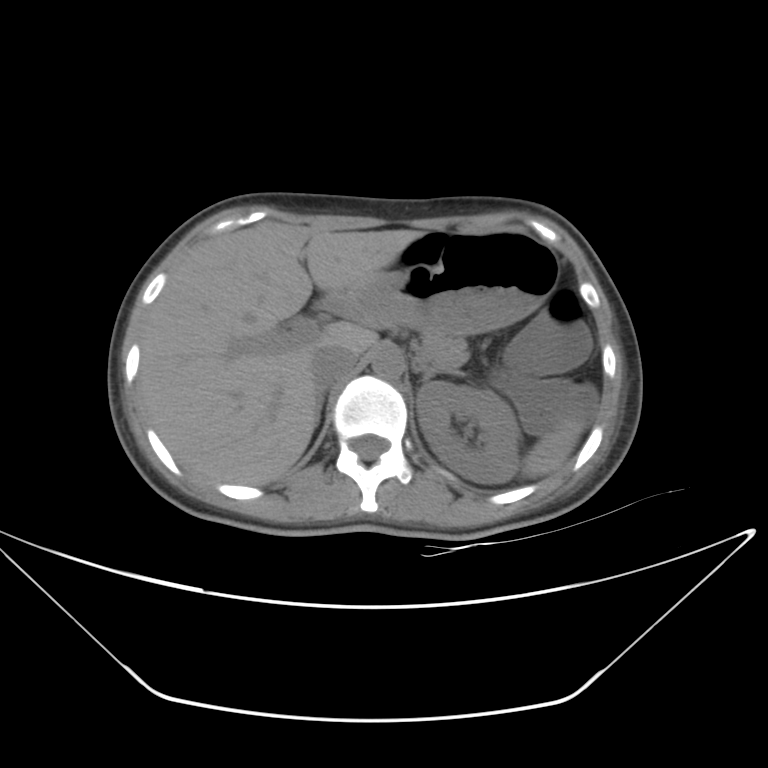 Computed tomography, abdomen; Axial slice 75/84; soft-tissue window (W 400 / L 40); 15 organs annotated in this scan (that count is for the whole scan; organs this slice misses have no box)
Boxes are (x1, y1, x2, y2) in pixels. Labeled organs on this slice: spleen at (521, 416, 583, 478), left kidney at (416, 381, 519, 484), liver at (137, 222, 421, 485), stomach at (348, 231, 557, 335), aorta at (371, 346, 403, 379), inferior vena cava at (311, 346, 358, 387), pancreas at (422, 329, 468, 368), right adrenal gland at (314, 387, 325, 428), left adrenal gland at (415, 366, 465, 382), duodenum at (321, 292, 358, 318).